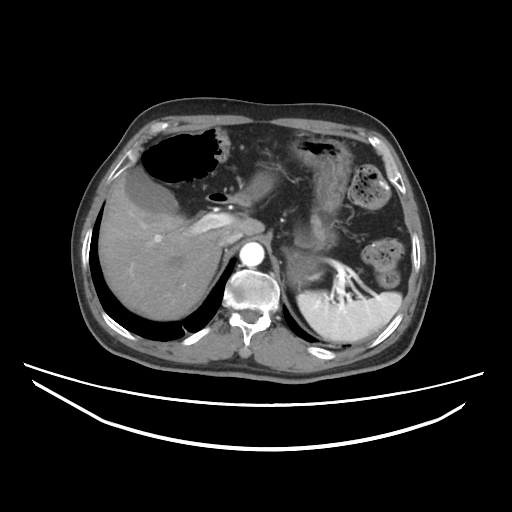

Computed tomography, abdomen — axial view — scan has 15 labeled organs (a whole-scan count: organs this slice does not pass through have no box)
One row per box, in pixels: columns x1 and y1 give the top-left corner, x2 and y2 the bottom-right.
| organ | x1 | y1 | x2 | y2 |
|---|---|---|---|---|
| spleen | 296 | 291 | 402 | 342 |
| gall bladder | 125 | 166 | 178 | 214 |
| liver | 98 | 173 | 264 | 320 |
| stomach | 237 | 138 | 352 | 289 |
| aorta | 240 | 242 | 264 | 267 |
| inferior vena cava | 216 | 228 | 242 | 247 |
| duodenum | 206 | 194 | 244 | 203 |